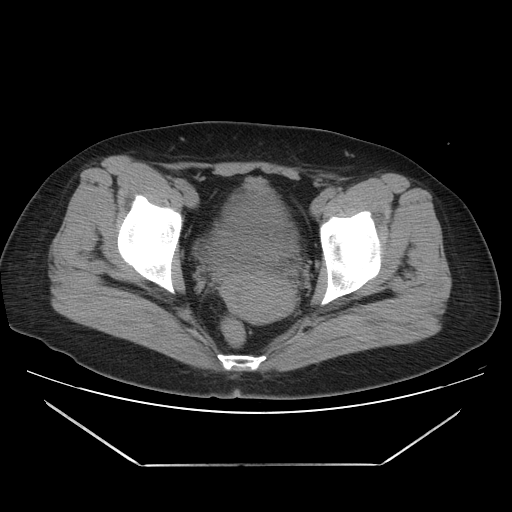 Abdominal CT; axial view
Coordinates as <box>x1,y1,x2,y2</box> in pixels.
Organ bounding boxes:
- bladder: <box>215,179,296,254</box>
- prostate/uterus: <box>206,233,294,323</box>